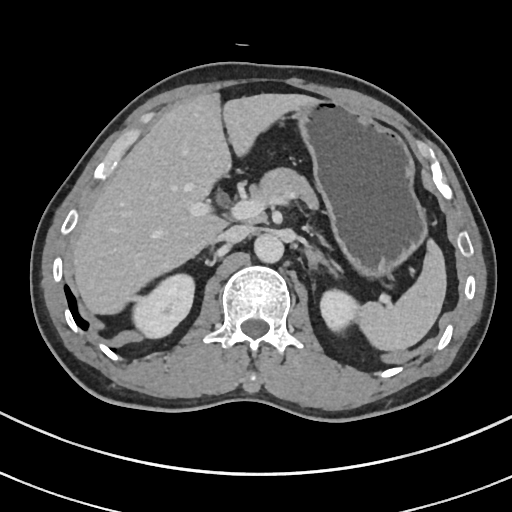

CT abdomen. axial view. 512x512 px. SOMATOM Force scanner. scan has 15 labeled organs (counted over the whole 3D scan, not this slice; an organ is boxed only where this slice passes through it)
Coordinates as <box>x1,y1,x2,y2</box> in pixels.
spleen: <box>360,237,447,352</box>
left kidney: <box>319,289,356,332</box>
left adrenal gland: <box>307,245,337,275</box>
pancreas: <box>249,166,319,208</box>
aorta: <box>253,233,284,261</box>
right kidney: <box>134,274,196,338</box>
stomach: <box>295,98,425,271</box>
liver: <box>72,93,311,314</box>
inferior vena cava: <box>217,225,250,244</box>